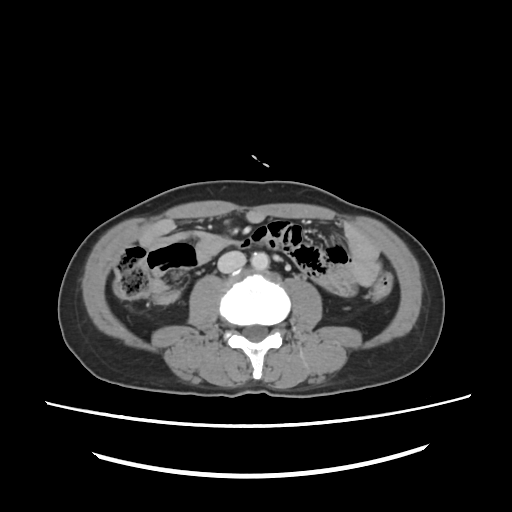 Computed tomography, abdomen; Axial slice 50/126; 512x512 px
{"organs":{"aorta":[251,251,269,269],"inferior vena cava":[218,251,244,273]}}